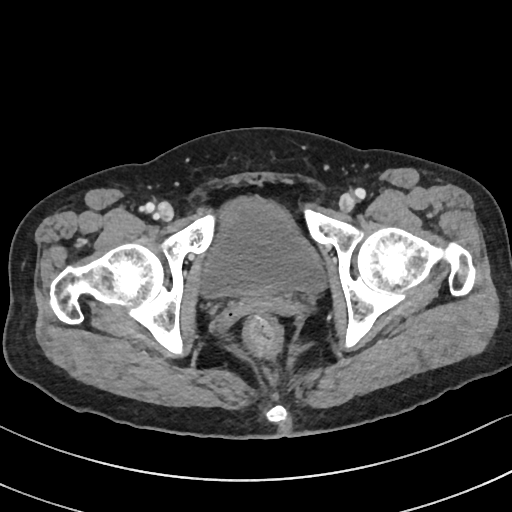 CT abdomen; axial view; 512x512 px
Organ boxes in pixel coordinates; each row gives the top-left (x1, y1) and bottom-right (x2, y2) corners.
| organ | x1 | y1 | x2 | y2 |
|---|---|---|---|---|
| bladder | 199 | 195 | 327 | 299 |